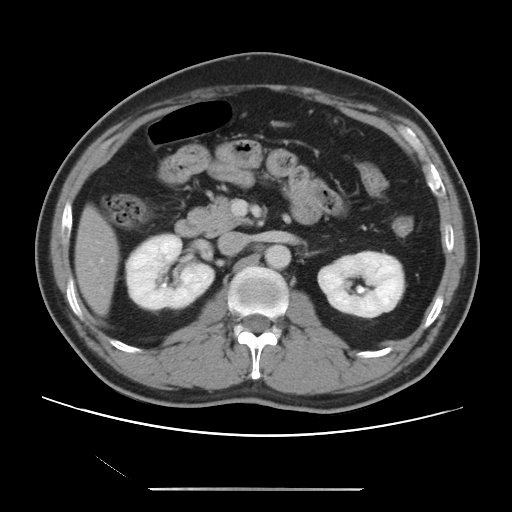

CT abdomen — axial view
Organ boxes in pixel coordinates; each row gives the top-left (x1, y1) and bottom-right (x2, y2) corners.
| organ | x1 | y1 | x2 | y2 |
|---|---|---|---|---|
| duodenum | 175 | 219 | 203 | 236 |
| right kidney | 125 | 234 | 214 | 310 |
| aorta | 265 | 244 | 291 | 269 |
| inferior vena cava | 217 | 232 | 248 | 255 |
| liver | 74 | 204 | 119 | 316 |
| pancreas | 188 | 196 | 251 | 235 |
| left kidney | 318 | 251 | 404 | 317 |